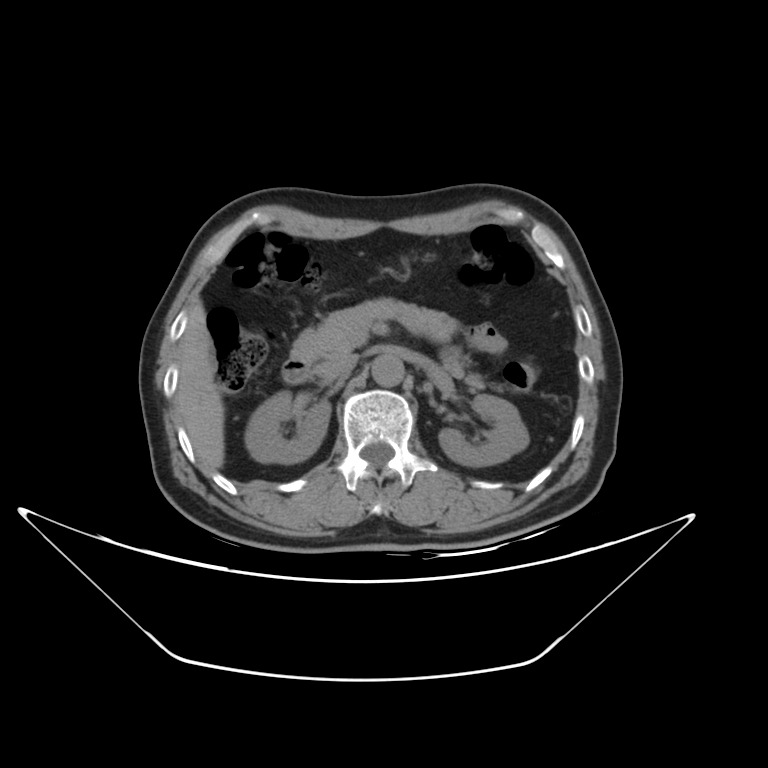 Computed tomography, abdomen — axial view — scan has 15 labeled organs (counted over the whole 3D scan, not this slice; an organ is boxed only where this slice passes through it)
<organs><organ name="right kidney" x1="245" y1="390" x2="331" y2="463"/><organ name="left kidney" x1="439" y1="391" x2="529" y2="466"/><organ name="liver" x1="177" y1="299" x2="225" y2="468"/><organ name="stomach" x1="399" y1="280" x2="405" y2="281"/><organ name="aorta" x1="370" y1="354" x2="403" y2="386"/><organ name="inferior vena cava" x1="318" y1="353" x2="359" y2="376"/><organ name="pancreas" x1="292" y1="299" x2="486" y2="390"/><organ name="duodenum" x1="283" y1="360" x2="306" y2="381"/></organs>